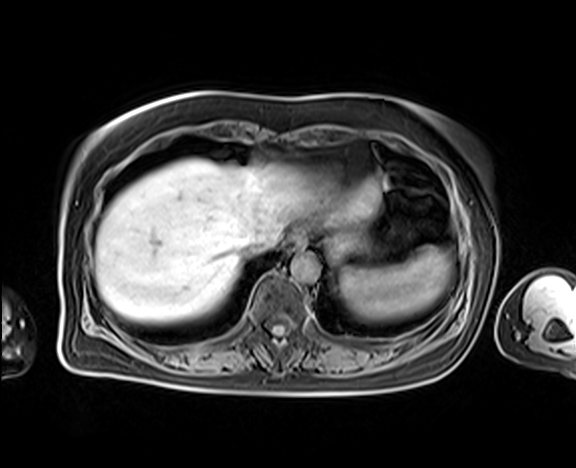 Abdominal MR — axial view — percentile-normalized — 12 organs annotated in this scan (a whole-scan count: organs this slice does not pass through have no box)
Bounding boxes as [x1, y1, x2, y2] in pixel coordinates.
Organ bounding boxes:
- stomach: [325, 230, 368, 261]
- inferior vena cava: [240, 232, 276, 258]
- spleen: [340, 246, 450, 319]
- esophagus: [282, 233, 305, 254]
- aorta: [291, 255, 318, 282]
- liver: [95, 158, 381, 322]